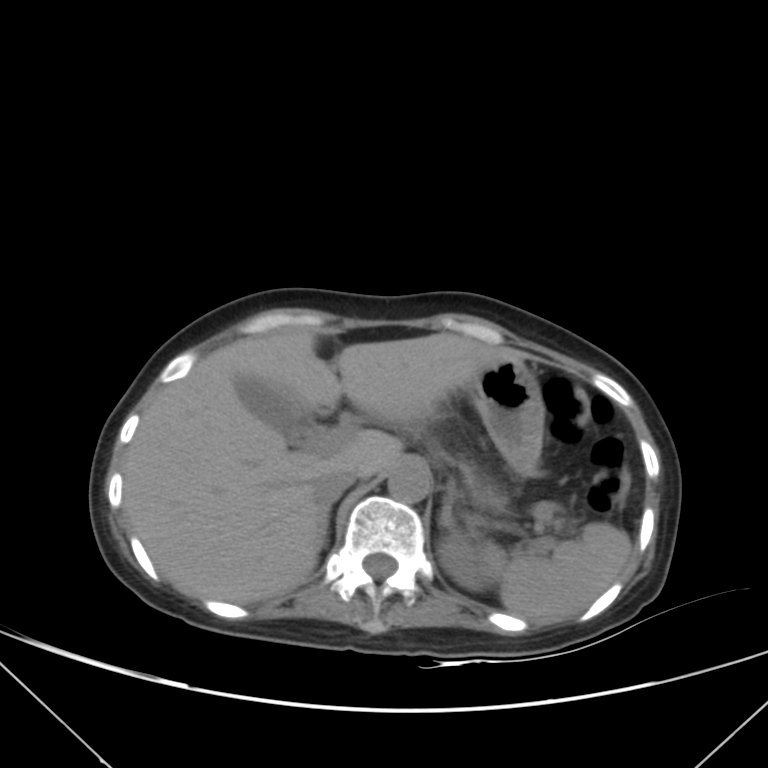
Computed tomography, abdomen. Axial slice 72/94
<organs><organ name="left adrenal gland" x1="438" y1="494" x2="456" y2="528"/><organ name="inferior vena cava" x1="311" y1="469" x2="358" y2="503"/><organ name="pancreas" x1="477" y1="487" x2="505" y2="505"/><organ name="right adrenal gland" x1="320" y1="497" x2="337" y2="545"/><organ name="aorta" x1="387" y1="458" x2="430" y2="503"/><organ name="spleen" x1="482" y1="523" x2="632" y2="622"/><organ name="stomach" x1="465" y1="360" x2="545" y2="476"/><organ name="liver" x1="123" y1="328" x2="522" y2="603"/><organ name="left kidney" x1="438" y1="533" x2="491" y2="589"/><organ name="gall bladder" x1="235" y1="374" x2="317" y2="444"/></organs>